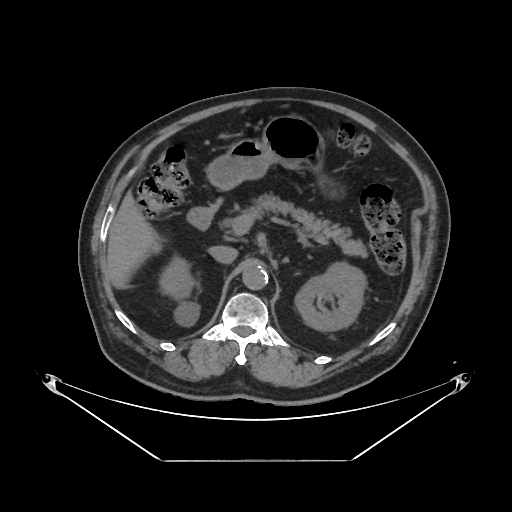
CT, abdomen/pelvis. axial view. soft-tissue window. 15 organs annotated in this scan (counted over the whole 3D scan, not this slice; an organ is boxed only where this slice passes through it)
Box edges are left/top/right/bottom in pixels.
right kidney: left=161, top=258, right=197, bottom=324
left kidney: left=295, top=260, right=367, bottom=331
liver: left=107, top=192, right=157, bottom=286
stomach: left=208, top=116, right=321, bottom=189
aorta: left=242, top=264, right=268, bottom=290
inferior vena cava: left=209, top=245, right=238, bottom=263
pancreas: left=236, top=197, right=366, bottom=256
duodenum: left=187, top=198, right=222, bottom=229